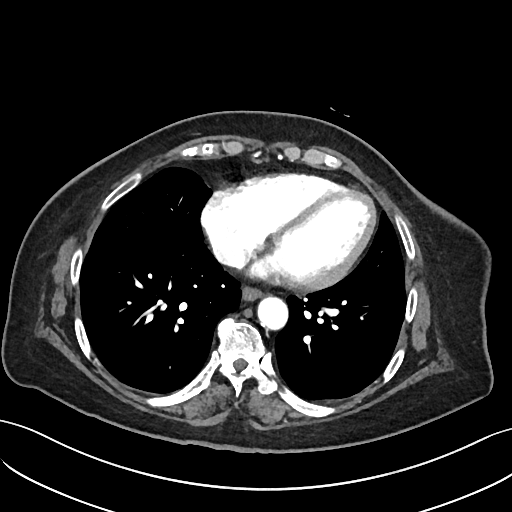 Lower-chest slice from an abdominal CT, just above the liver and spleen · axial view · 15 organs annotated in this scan (that count is for the whole scan; organs this slice misses have no box)
Of the structures in the chest, this dataset labels only the esophagus, the aorta and the inferior vena cava; the heart and lungs have no label.
Box edges are left/top/right/bottom in pixels.
esophagus: left=242, top=285, right=262, bottom=300
aorta: left=257, top=295, right=287, bottom=328
inferior vena cava: left=214, top=240, right=247, bottom=267